Abdominal CT reaching into the chest; this slice is in the chest; axial view; soft-tissue window, W/L 400/40
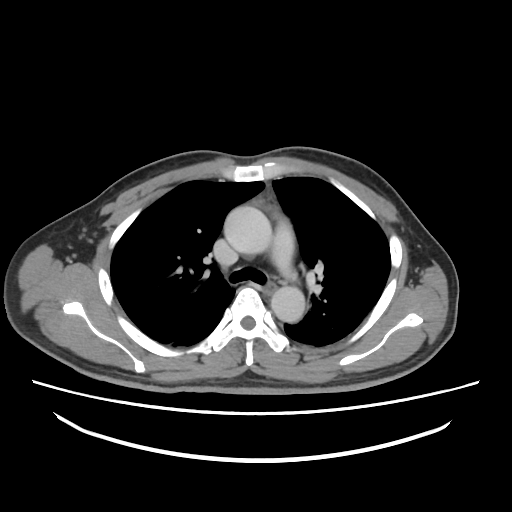 At this level of the chest this dataset labels only the esophagus and the aorta, and each is boxed only where it is labeled; the heart and lungs are never labeled.
Boxes: x1:y1:x2:y2 in pixels.
Organ bounding boxes:
- esophagus: 263:282:276:295
- aorta: 224:206:271:254
- aorta: 271:286:305:322